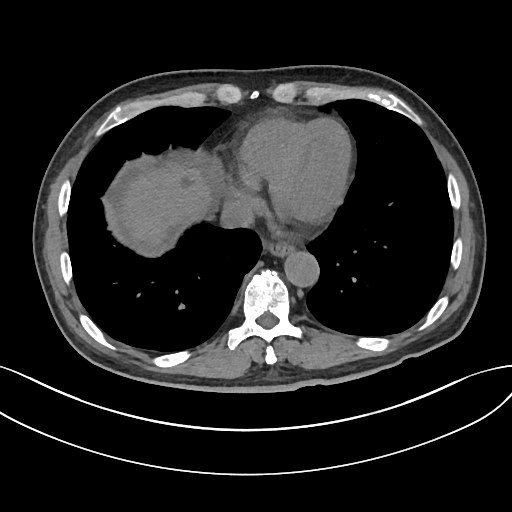

Computed tomography, abdomen · axial view · scan has 15 labeled organs (counted over the whole 3D scan, not this slice; an organ is boxed only where this slice passes through it)
Coordinates as <box>x1,y1,x2,y2</box> in pixels. The annotated organs in this slice are: aorta at <box>283,251,318,285</box>, esophagus at <box>270,243,294,255</box>, liver at <box>118,155,224,242</box>, inferior vena cava at <box>220,197,254,229</box>.